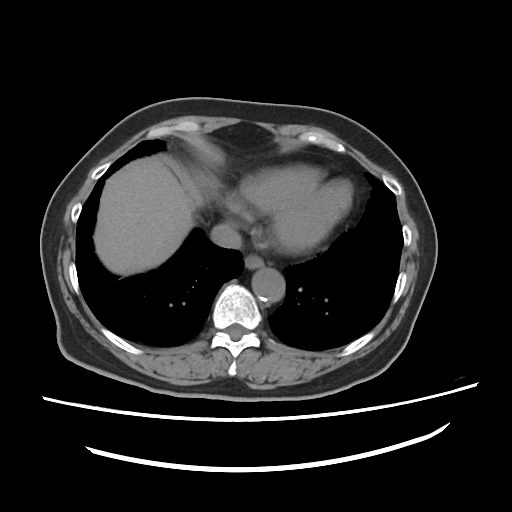
Abdominal CT — axial view — soft-tissue window — 512x512 px — scan has 14 labeled organs (counted over the whole 3D scan, not this slice; an organ is boxed only where this slice passes through it)
Box edges are left/top/right/bottom in pixels. Labeled organs on this slice: esophagus at left=244, top=255, right=263, bottom=269, liver at left=94, top=157, right=195, bottom=275, aorta at left=252, top=268, right=285, bottom=302, inferior vena cava at left=210, top=223, right=241, bottom=248.